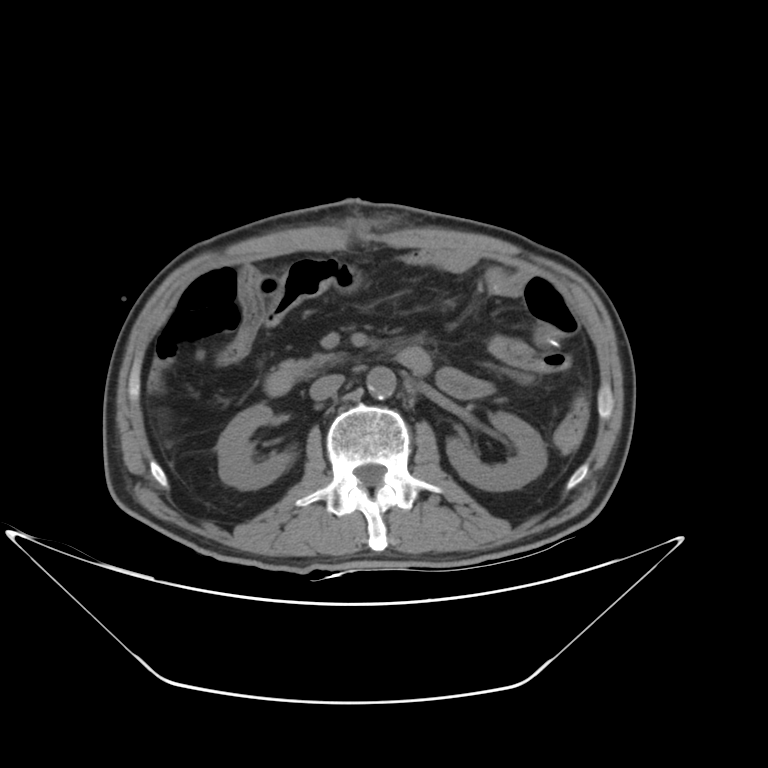 Computed tomography, abdomen — axial view — 65-year-old male patient
Coordinates as <box>x1,y1,x2,y2</box> in pixels. Labeled organs on this slice: right kidney at <box>216,404,291,490</box>, left kidney at <box>446,412,547,491</box>, aorta at <box>366,366,396,398</box>, inferior vena cava at <box>309,374,344,400</box>, pancreas at <box>294,353,341,370</box>, duodenum at <box>264,347,431,396</box>.